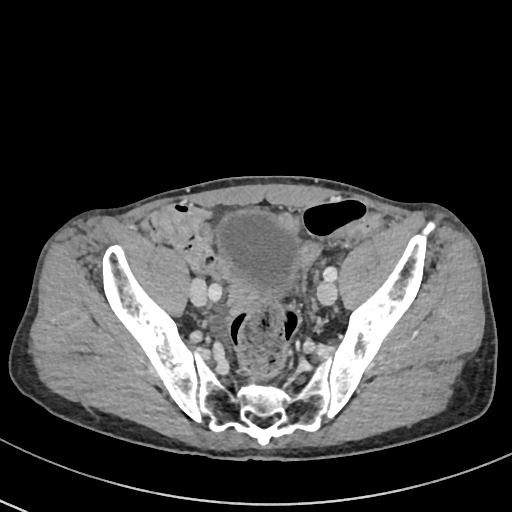
Abdominal CT; Axial slice 66/306; soft-tissue window; 512x512 px; SOMATOM Force scanner
<organs><organ name="bladder" x1="215" y1="212" x2="298" y2="294"/></organs>